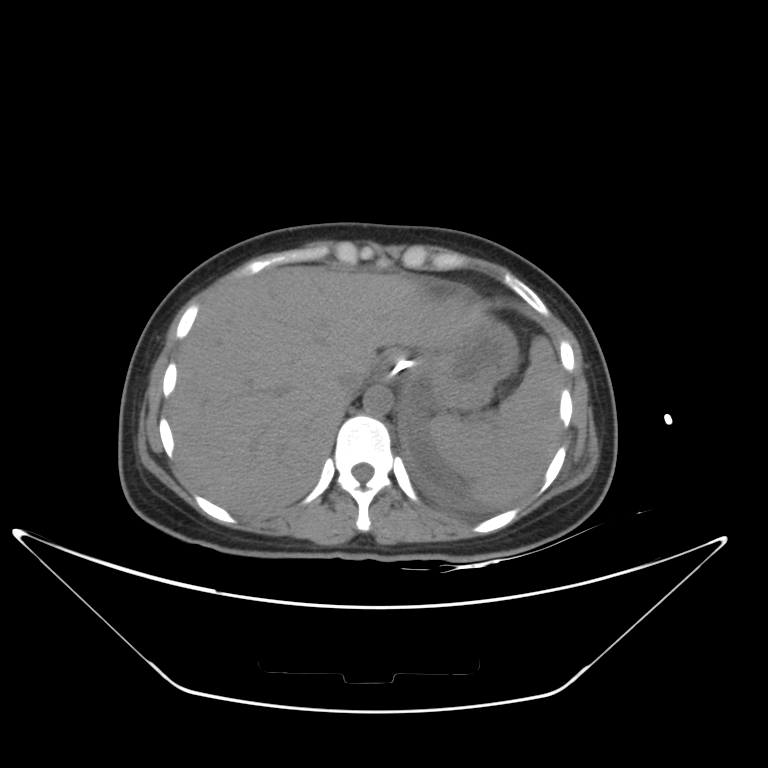
Computed tomography, abdomen; axial plane, index 81; abdomen soft-tissue window
Bounding boxes in pixels, one row per box: x1, y1 is the top-left corner and x2, y2 the bottom-right.
| organ | x1 | y1 | x2 | y2 |
|---|---|---|---|---|
| spleen | 429 | 335 | 562 | 504 |
| esophagus | 375 | 351 | 405 | 381 |
| liver | 169 | 265 | 483 | 515 |
| stomach | 399 | 315 | 518 | 409 |
| aorta | 363 | 385 | 393 | 414 |
| inferior vena cava | 335 | 369 | 366 | 400 |